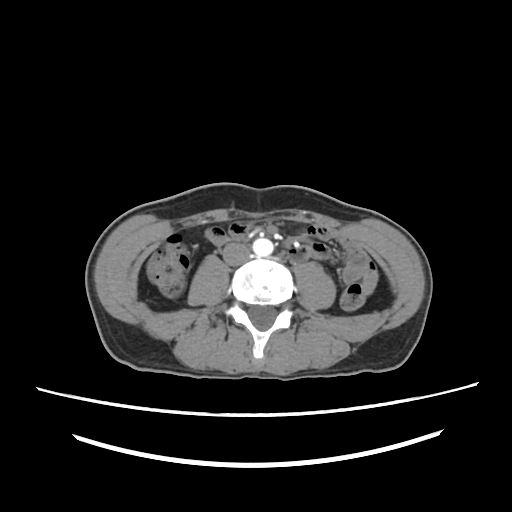 CT, abdomen/pelvis — axial view — soft-tissue window — 512x512 px — 51-year-old male patient
Boxes are (x1, y1, x2, y2) in pixels. Labeled organs on this slice: aorta at (253, 238, 275, 256), inferior vena cava at (222, 242, 250, 266).